Computed tomography, abdomen; axial view
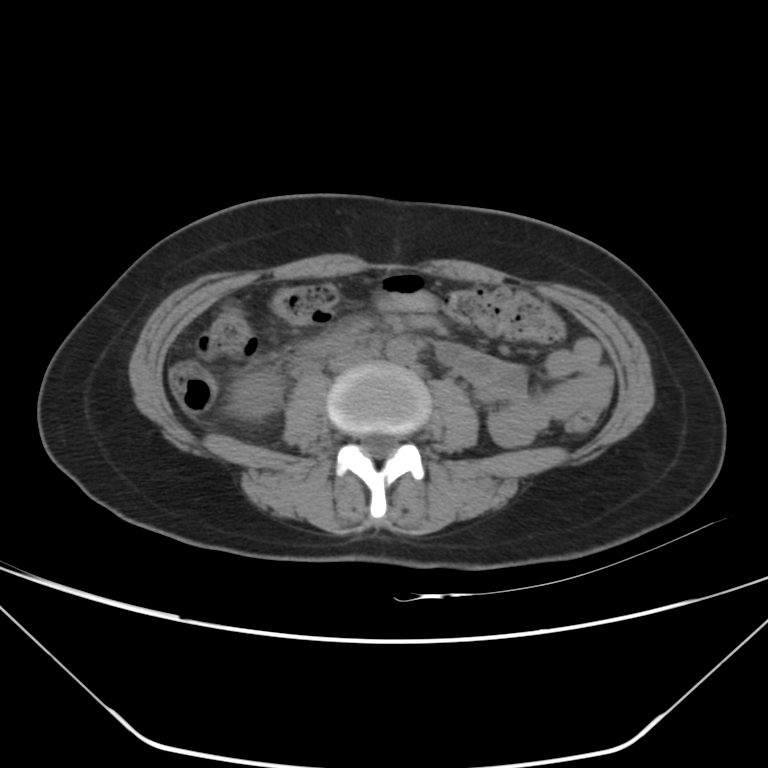

Each box given as x1,y1,x2,y2. Labeled organs on this slice: aorta at x1=386, y1=338, x2=415, y2=363, right kidney at x1=227, y1=370, x2=282, y2=420, inferior vena cava at x1=328, y1=347, x2=376, y2=371, duodenum at x1=306, y1=330, x2=376, y2=355.